Abdominal CT; Axial slice 25/95; Aquilion ONE scanner; scan has 15 labeled organs (a whole-scan count: organs this slice does not pass through have no box)
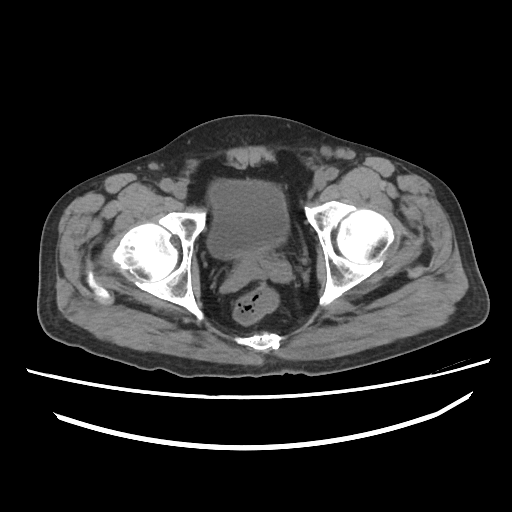
Boxes: x1:y1:x2:y2 in pixels. 1 labeled organ on this slice — bladder at 207:179:288:258.